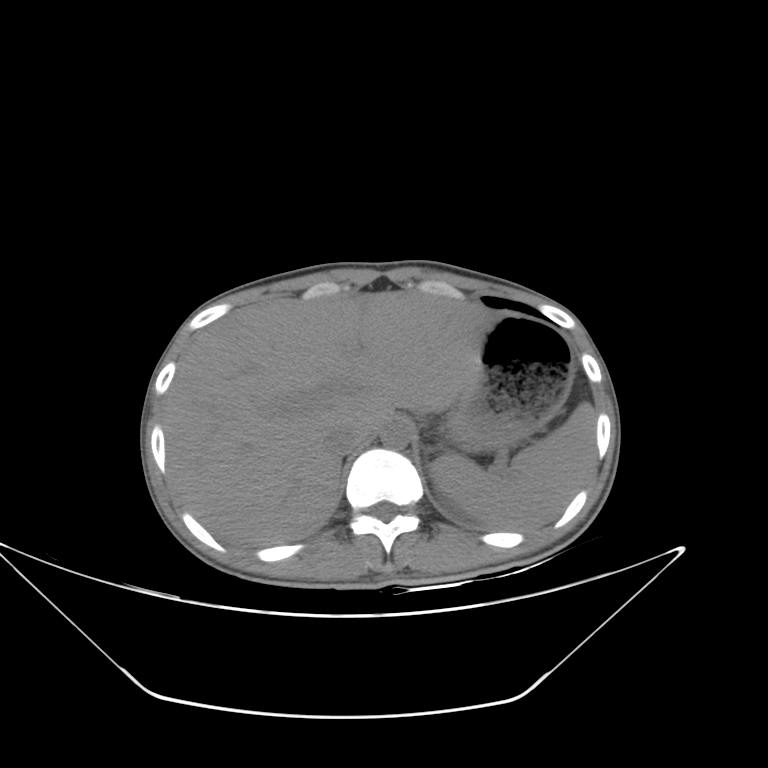 CT abdomen · axial plane, index 82 · 24-year-old male patient
Box edges are left/top/right/bottom in pixels.
spleen: left=430, top=402, right=595, bottom=530
liver: left=163, top=291, right=494, bottom=546
stomach: left=446, top=314, right=572, bottom=451
aorta: left=380, top=421, right=410, bottom=449
inferior vena cava: left=324, top=424, right=361, bottom=455